Abdominal MRI; axial view; percentile-normalized; 576x468 px
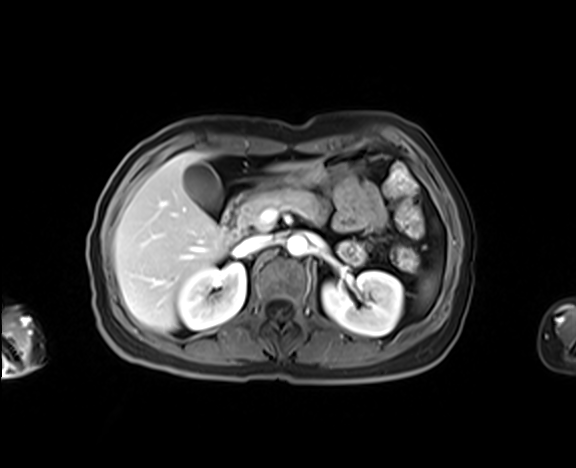 Boxes: x1:y1:x2:y2 in pixels.
spleen: 421:277:435:301
right kidney: 177:263:245:329
left kidney: 322:271:402:335
gall bladder: 183:162:222:210
liver: 114:151:308:331
stomach: 256:154:361:190
aorta: 286:235:308:256
inferior vena cava: 236:235:271:254
pancreas: 240:189:323:229
duodenum: 223:195:246:240